CT, abdomen/pelvis; axial view; soft-tissue window (W 400 / L 40); 51-year-old male patient; 13 organs annotated in this scan (that count is for the whole scan; organs this slice misses have no box)
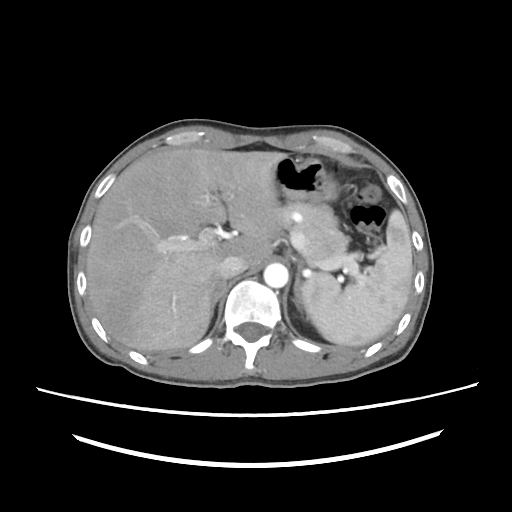
Each box given as x1,y1,x2,y2. 8 labeled organs on this slice — spleen at x1=302, y1=209, x2=413, y2=346; liver at x1=86, y1=150, x2=287, y2=352; stomach at x1=276, y1=156, x2=338, y2=221; aorta at x1=264, y1=263, x2=288, y2=287; inferior vena cava at x1=218, y1=255, x2=246, y2=279; pancreas at x1=281, y1=201, x2=348, y2=261; right adrenal gland at x1=210, y1=276, x2=225, y2=319; left adrenal gland at x1=294, y1=266, x2=302, y2=309.